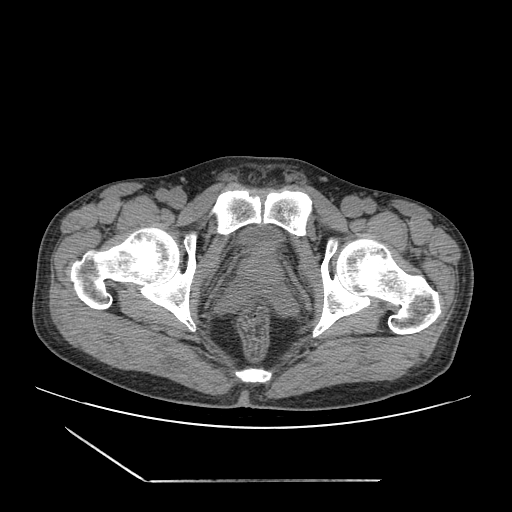

CT abdomen · axial view · acquired on SOMATOM Force
{"organs":{"bladder":[235,224,286,254],"prostate/uterus":[238,251,282,286]}}